Abdominal CT; this slice is in the lower chest, just above the liver. axial view. soft-tissue window, W/L 400/40. 512x512 px
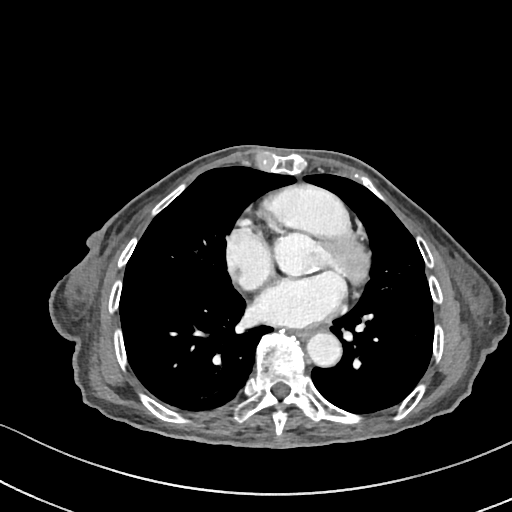 The heart and lungs are never labeled in this dataset, so they have no box on this slice. Coordinates as <box>x1,y1,x2,y2</box> in pixels. 2 labeled organs on this slice — aorta at <box>308,333,342,367</box>; esophagus at <box>296,329,312,340</box>.